CT, abdomen/pelvis. axial view. soft-tissue window. 512x512 px. acquired on SOMATOM Force. 15 organs annotated in this scan (that count is for the whole scan; organs this slice misses have no box)
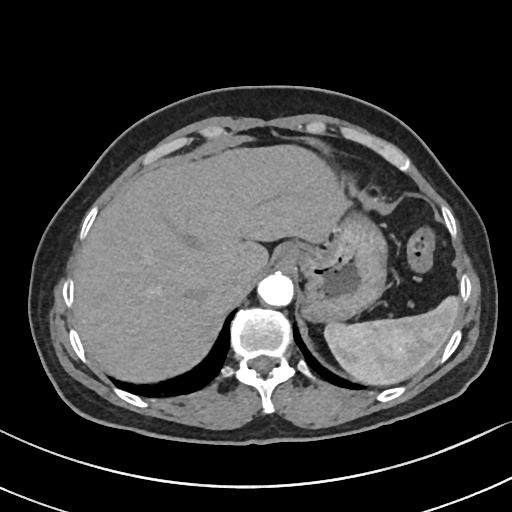
<organs><organ name="spleen" x1="324" y1="297" x2="459" y2="384"/><organ name="esophagus" x1="275" y1="242" x2="302" y2="267"/><organ name="liver" x1="74" y1="146" x2="349" y2="380"/><organ name="stomach" x1="299" y1="215" x2="387" y2="321"/><organ name="aorta" x1="257" y1="272" x2="293" y2="306"/><organ name="inferior vena cava" x1="224" y1="264" x2="255" y2="287"/></organs>